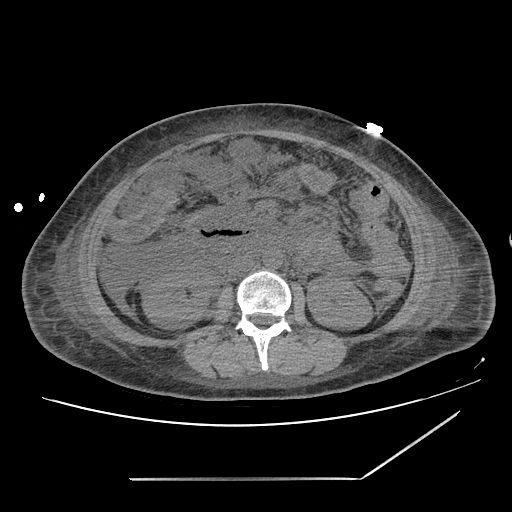

Computed tomography, abdomen; axial view; 512x512 px; scan has 15 labeled organs (a whole-scan count: organs this slice does not pass through have no box)
Each box given as x1,y1,x2,y2. The annotated organs in this slice are: inferior vena cava at x1=227, y1=255, x2=254, y2=276, aorta at x1=263, y1=250, x2=282, y2=268, left kidney at x1=307, y1=275, x2=372, y2=329, right kidney at x1=142, y1=266, x2=213, y2=327.